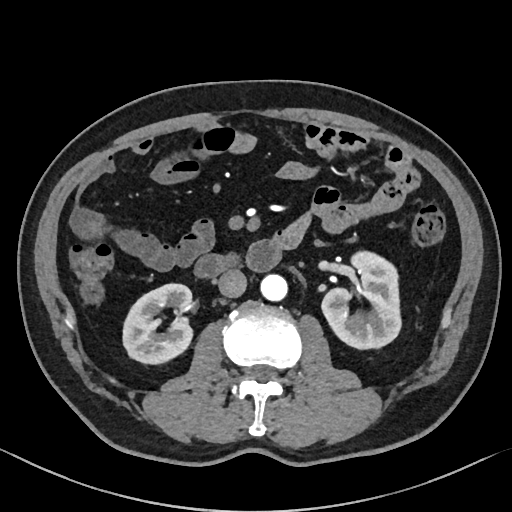

Computed tomography, abdomen; axial view; acquired on SOMATOM Force
One row per box, in pixels: columns x1 and y1 give the top-left corner, x2 and y2 the bottom-right.
| organ | x1 | y1 | x2 | y2 |
|---|---|---|---|---|
| right kidney | 123 | 283 | 192 | 363 |
| left kidney | 321 | 251 | 401 | 349 |
| aorta | 260 | 274 | 287 | 301 |
| inferior vena cava | 217 | 269 | 246 | 297 |
| duodenum | 194 | 239 | 284 | 277 |